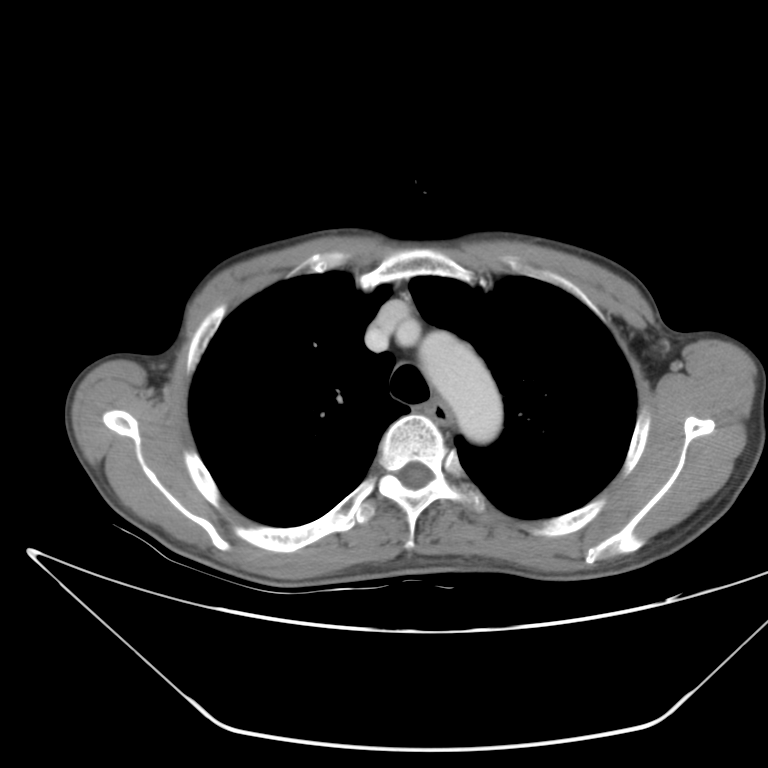
Abdominal CT reaching into the chest; this slice is in the chest; axial view; soft-tissue window, W/L 400/40; Brilliance16 scanner
At this level of the chest no structure but the esophagus and the aorta has a label in this dataset, and those two are boxed only where they are labeled.
Bounding boxes in pixels, one row per box: x1, y1 is the top-left corner and x2, y2 the bottom-right.
| organ | x1 | y1 | x2 | y2 |
|---|---|---|---|---|
| esophagus | 425 | 397 | 456 | 425 |
| aorta | 414 | 332 | 504 | 443 |